Computed tomography, abdomen · axial view · W/L 400/40 HU · scan has 15 labeled organs (a whole-scan count: organs this slice does not pass through have no box)
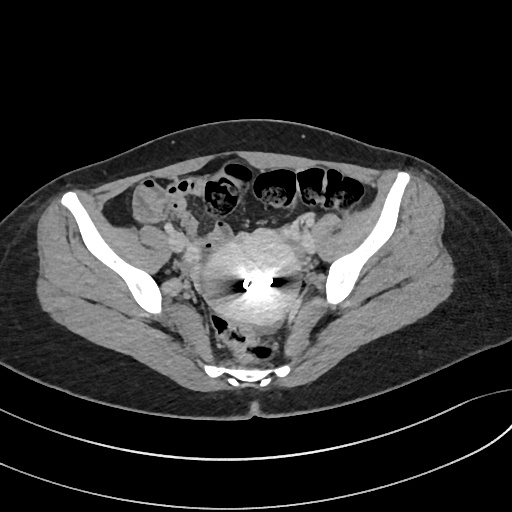 Boxes: x1:y1:x2:y2 in pixels. Labeled organs on this slice: prostate/uterus at 200:231:303:324.